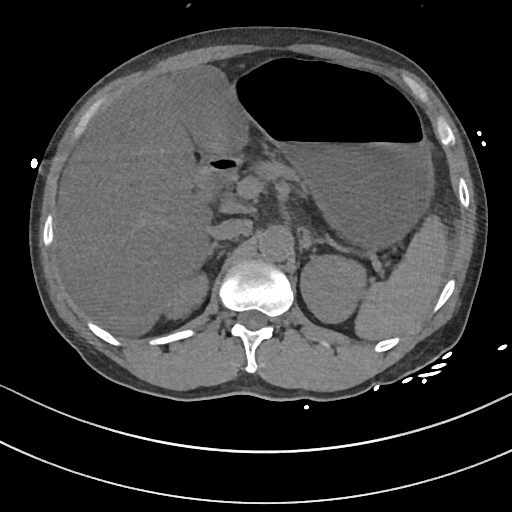 CT abdomen; axial view; abdomen soft-tissue window; 512x512 px; acquired on SOMATOM Force; scan has 15 labeled organs (a whole-scan count: organs this slice does not pass through have no box)
Coordinates as <box>x1,y1,x2,y2</box> in pixels.
liver: <box>56,72,223,335</box>
aorta: <box>258,224,292,260</box>
gall bladder: <box>175,68,245,151</box>
left adrenal gland: <box>300,229,322,248</box>
duodenum: <box>193,152,240,203</box>
left kidney: <box>300,253,365,324</box>
spleen: <box>355,212,447,339</box>
stomach: <box>232,65,432,244</box>
right kidney: <box>163,277,207,320</box>
inferior vena cava: <box>209,219,251,239</box>
pancreas: <box>258,161,307,191</box>
right adrenal gland: <box>206,242,216,253</box>